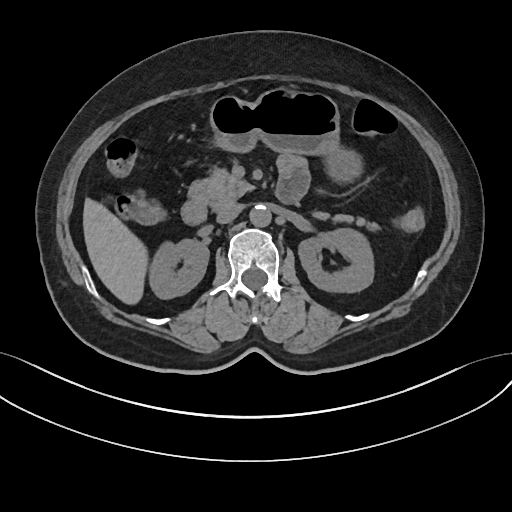

CT, abdomen/pelvis — axial view — abdomen soft-tissue window
{"organs":{"right kidney":[148,239,208,298],"left kidney":[299,227,375,291],"liver":[83,198,144,302],"stomach":[210,88,357,180],"aorta":[249,204,271,225],"inferior vena cava":[217,203,243,223],"pancreas":[188,168,378,228],"duodenum":[180,176,304,224]}}